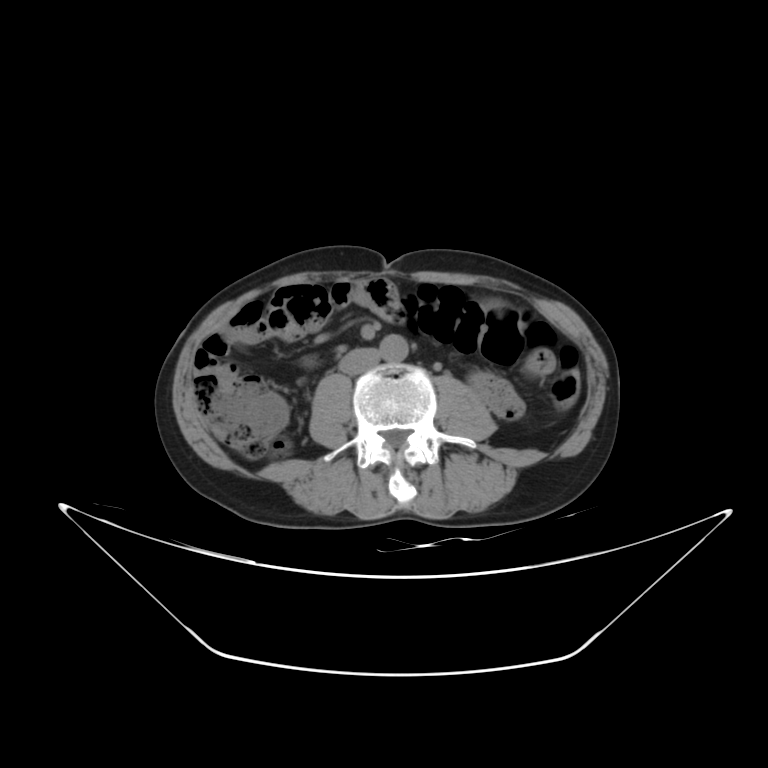 CT abdomen · axial view · soft-tissue window · 52-year-old male patient
Boxes: x1 y1 x2 y2 (pixel coords, space-separated).
aorta: 379 334 408 362
inferior vena cava: 339 348 379 375